Abdominal CT · axial view · 38-year-old female patient
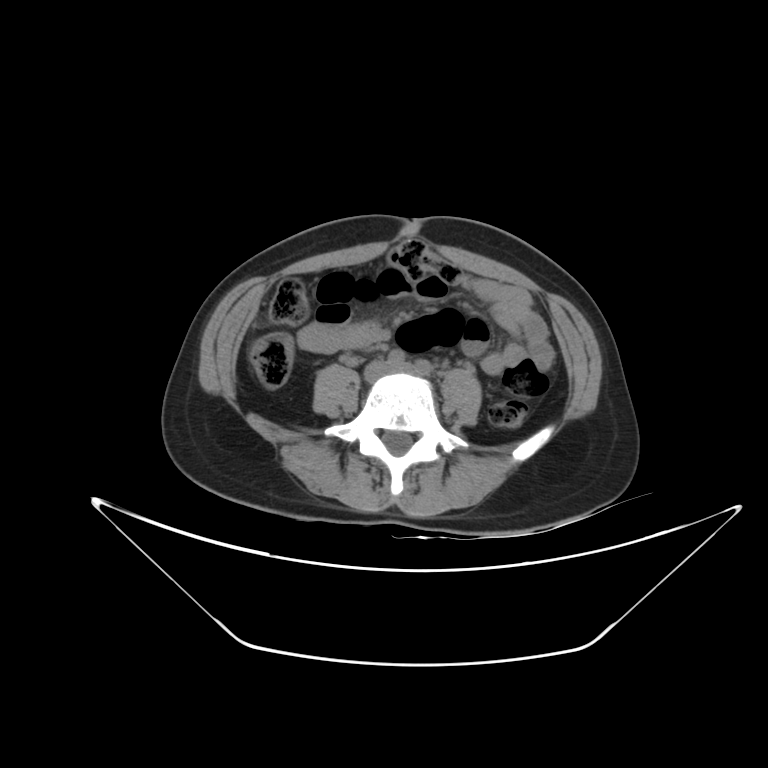 <organs><organ name="inferior vena cava" x1="381" y1="365" x2="385" y2="369"/></organs>